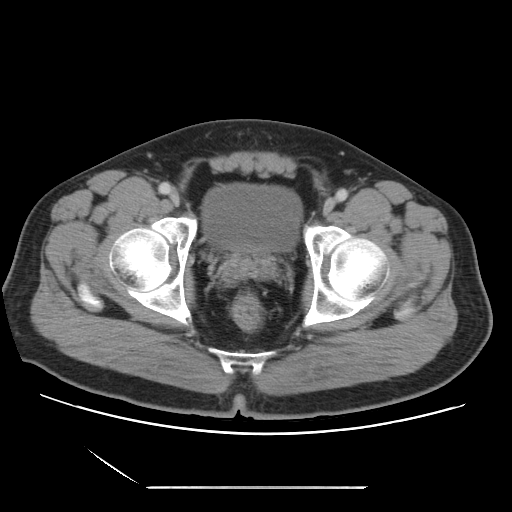 CT, abdomen/pelvis; Axial slice 17/131; soft-tissue window; 512x512 px
Bounding boxes as [x1, y1, x2, y2] in pixel coordinates.
bladder: [202, 183, 302, 251]
prostate/uterus: [231, 249, 265, 264]